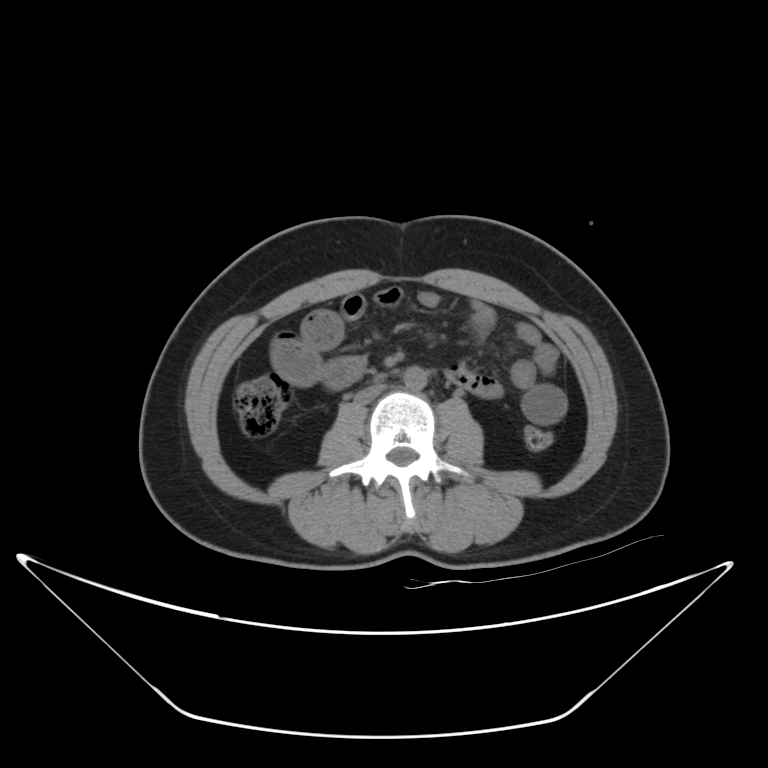 CT abdomen. axial view. 39-year-old female patient
Coordinates as <box>x1,y1,x2,y2</box> in pixels. 2 labeled organs on this slice — aorta at <box>403,365,427,390</box>; inferior vena cava at <box>354,384,386,403</box>.